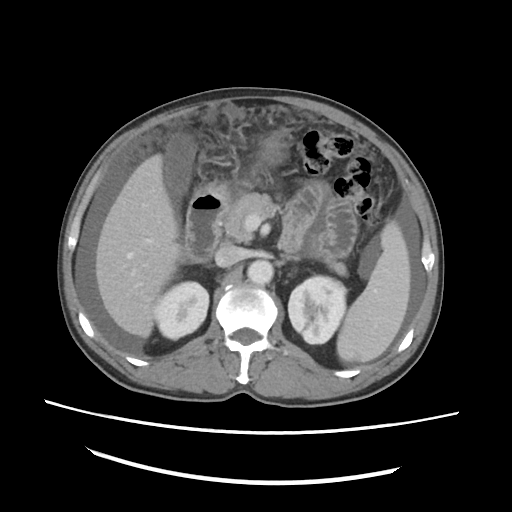

CT, abdomen/pelvis — axial view
{"organs":{"spleen":[336,220,410,362],"right kidney":[154,281,208,339],"left kidney":[288,275,346,344],"gall bladder":[165,133,194,200],"liver":[95,154,182,338],"stomach":[196,142,275,201],"aorta":[247,260,273,284],"inferior vena cava":[215,246,242,267],"pancreas":[223,193,347,275],"left adrenal gland":[275,256,301,265],"duodenum":[185,194,224,262]}}